CT abdomen · Axial slice 83/132 · Aquilion ONE scanner
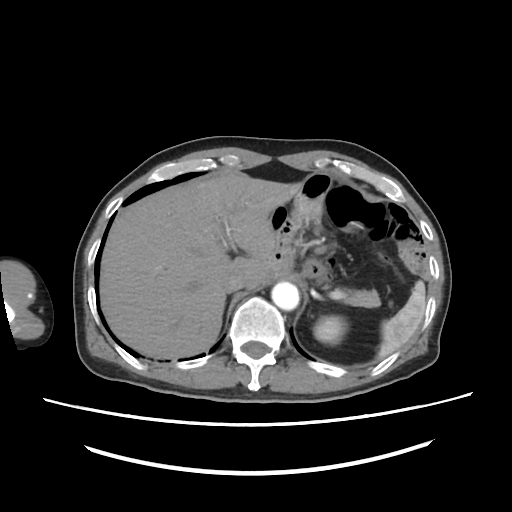

Boxes are (x1, y1, x2, y2) in pixels.
liver: (100, 176, 299, 359)
spleen: (378, 280, 426, 355)
pancreas: (338, 287, 381, 307)
inferior vena cava: (226, 273, 247, 292)
aorta: (271, 282, 299, 309)
left kidney: (313, 316, 348, 344)